CT abdomen. axial view. W/L 400/40 HU
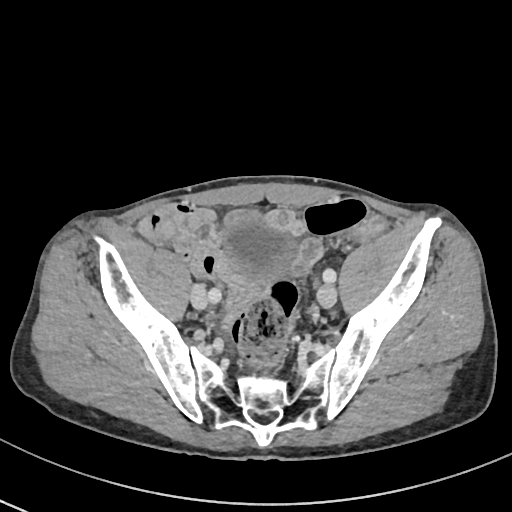

<organs><organ name="bladder" x1="220" y1="214" x2="295" y2="282"/></organs>